Abdominal CT; this slice is in the lower chest, just above the liver; axial plane, index 199; soft-tissue window; SOMATOM Force scanner; 15 organs annotated in this scan (a whole-scan count: organs this slice does not pass through have no box)
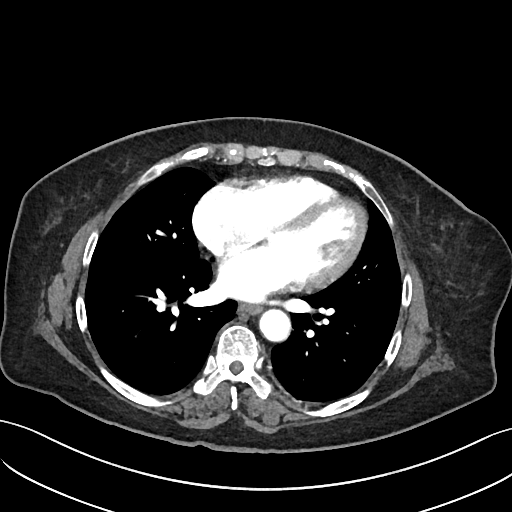

Of the structures in the chest, this dataset labels only the esophagus, the aorta and the inferior vena cava; the heart and lungs have no label.
<organs><organ name="esophagus" x1="239" y1="304" x2="260" y2="314"/><organ name="aorta" x1="259" y1="309" x2="290" y2="341"/></organs>